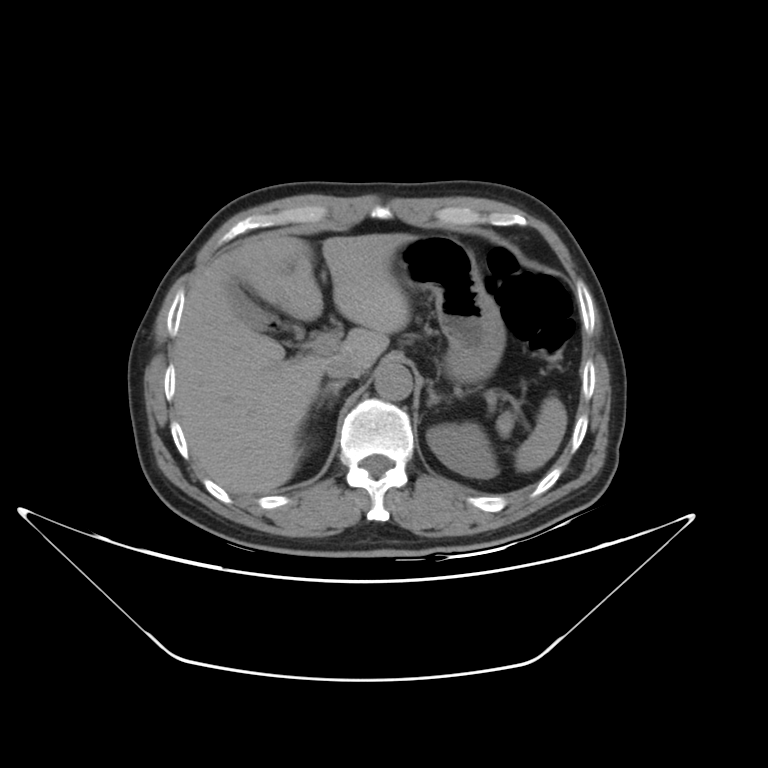
CT abdomen; axial view; 15 organs annotated in this scan (counted over the whole 3D scan, not this slice; an organ is boxed only where this slice passes through it)
Organ boxes in pixel coordinates; each row gives the top-left (x1, y1) and bottom-right (x2, y2) corners.
| organ | x1 | y1 | x2 | y2 |
|---|---|---|---|---|
| spleen | 513 | 399 | 566 | 473 |
| left kidney | 425 | 423 | 494 | 479 |
| gall bladder | 225 | 273 | 322 | 341 |
| liver | 172 | 233 | 412 | 495 |
| stomach | 395 | 235 | 505 | 382 |
| aorta | 374 | 364 | 412 | 400 |
| inferior vena cava | 325 | 354 | 359 | 378 |
| pancreas | 497 | 410 | 512 | 433 |
| right adrenal gland | 316 | 379 | 344 | 411 |
| left adrenal gland | 426 | 383 | 450 | 407 |